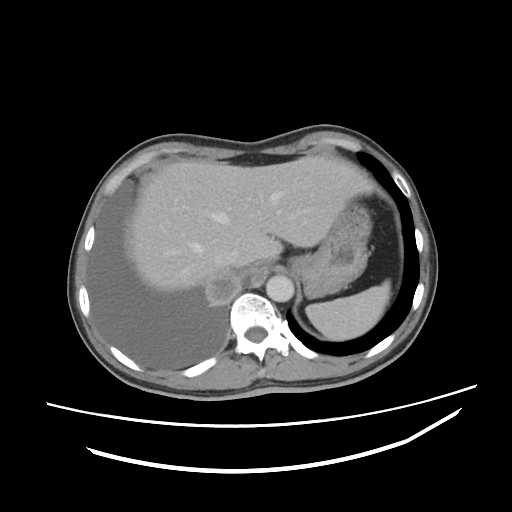 CT abdomen · Axial slice 82/131
<organs><organ name="inferior vena cava" x1="213" y1="252" x2="239" y2="266"/><organ name="spleen" x1="306" y1="280" x2="390" y2="340"/><organ name="liver" x1="130" y1="155" x2="374" y2="291"/><organ name="stomach" x1="289" y1="201" x2="371" y2="298"/><organ name="aorta" x1="266" y1="275" x2="293" y2="302"/></organs>